CT abdomen — axial view — 512x512 px
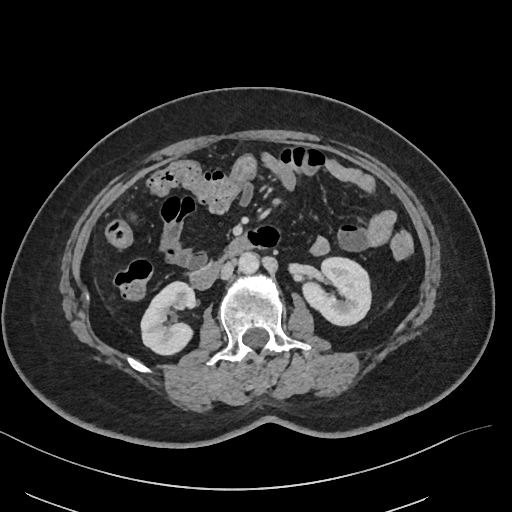

Boxes: x1:y1:x2:y2 in pixels. The annotated organs in this slice are: right kidney at 141:282:195:356, left kidney at 301:258:369:325, aorta at 238:253:259:274, inferior vena cava at 220:262:234:280, duodenum at 188:235:260:289.